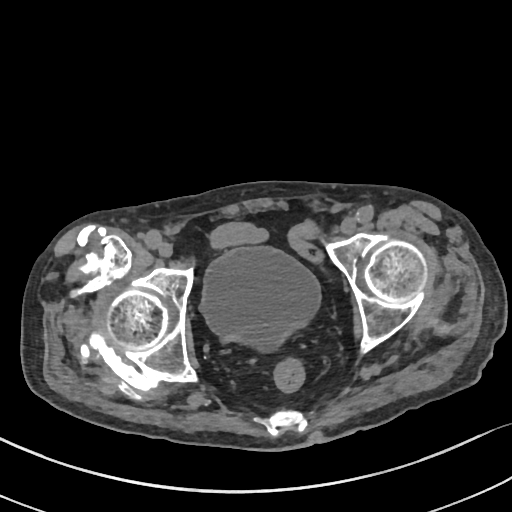

CT, abdomen/pelvis; axial view
Boxes are (x1, y1, x2, y2) in pixels.
Organ bounding boxes:
- bladder: (202, 246, 319, 349)